Lower-chest slice from an abdominal CT, just above the liver and spleen · axial view · soft-tissue window (W 400 / L 40) · 512x512 px
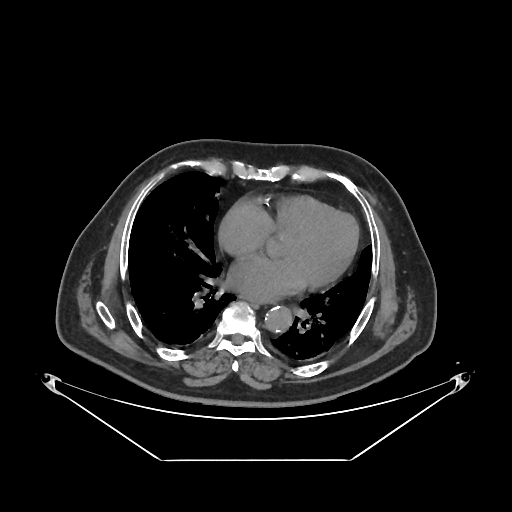 Of the structures in the chest, this dataset labels only the esophagus, the aorta and the inferior vena cava; the heart and lungs have no label.
<organs><organ name="esophagus" x1="244" y1="297" x2="272" y2="302"/><organ name="aorta" x1="264" y1="306" x2="292" y2="332"/></organs>